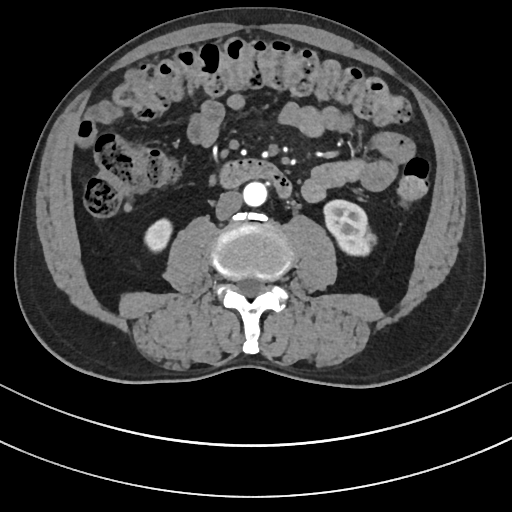
CT, abdomen/pelvis. axial view
Bounding boxes in pixels, one row per box: x1, y1 is the top-left corner and x2, y2 the bottom-right.
| organ | x1 | y1 | x2 | y2 |
|---|---|---|---|---|
| aorta | 243 | 182 | 266 | 206 |
| left kidney | 323 | 200 | 376 | 255 |
| inferior vena cava | 215 | 191 | 242 | 219 |
| duodenum | 219 | 159 | 291 | 197 |
| right kidney | 144 | 218 | 172 | 251 |